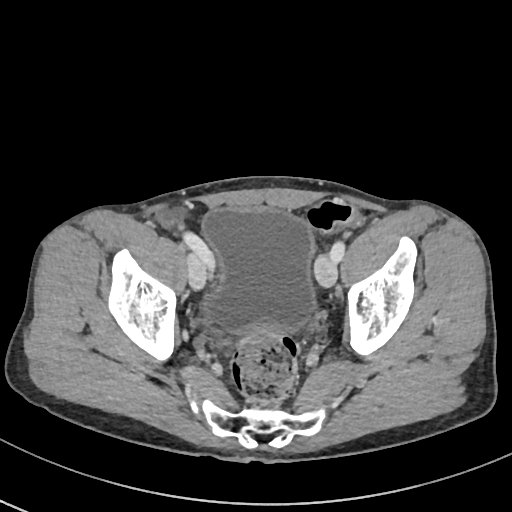

CT abdomen — Axial slice 58/306
Boxes: x1 y1 x2 y2 (pixel coords, space-separated).
bladder: 201 207 317 336